CT, abdomen/pelvis — Axial slice 288/353 — 14 organs annotated in this scan (a whole-scan count: organs this slice does not pass through have no box)
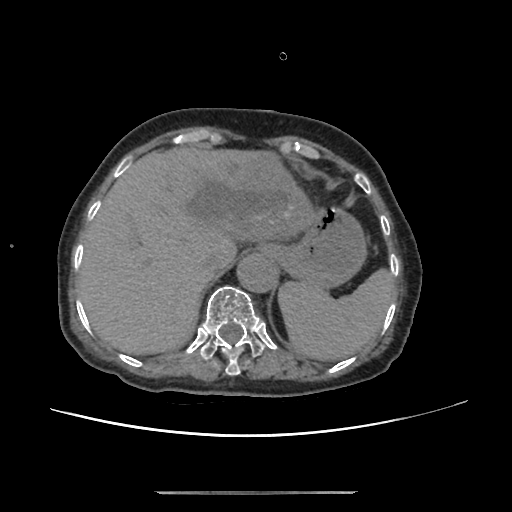 Boxes: x1:y1:x2:y2 in pixels.
Organ bounding boxes:
- stomach: 264:205:366:287
- liver: 78:146:317:354
- inferior vena cava: 201:251:222:273
- aorta: 236:254:277:292
- spleen: 278:267:396:361